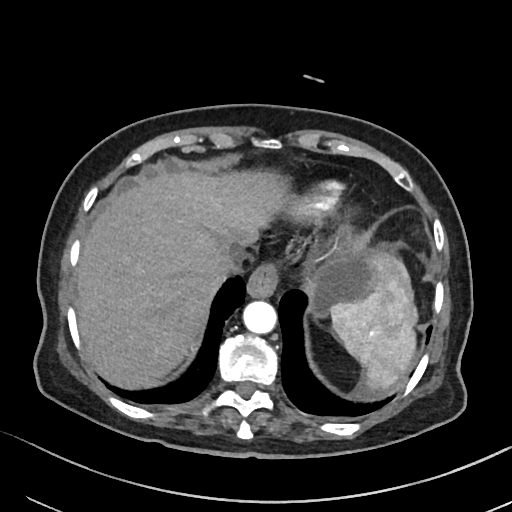

CT abdomen. Axial slice 200/297. scan has 15 labeled organs (counted over the whole 3D scan, not this slice; an organ is boxed only where this slice passes through it)
{"organs":{"stomach":[307,251,380,317],"spleen":[331,255,418,394],"liver":[74,172,409,388],"inferior vena cava":[215,252,243,278],"esophagus":[246,260,280,296],"aorta":[242,300,276,333]}}